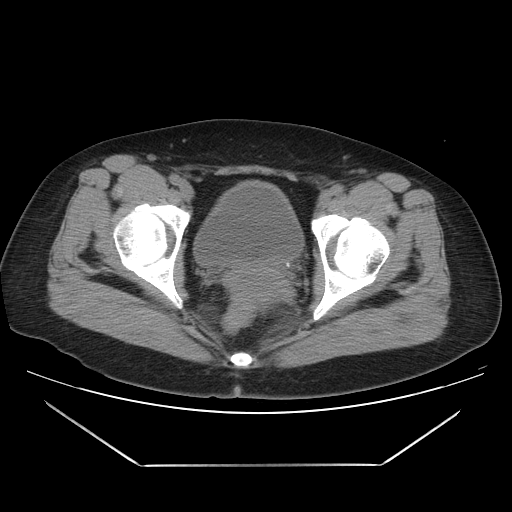

Abdominal CT; axial view; abdomen soft-tissue window; 15 organs annotated in this scan (a whole-scan count: organs this slice does not pass through have no box)
Box edges are left/top/right/bottom in pixels. The annotated organs in this slice are: bladder at left=194, top=181, right=303, bottom=265, prostate/uterus at left=223, top=268, right=288, bottom=304.